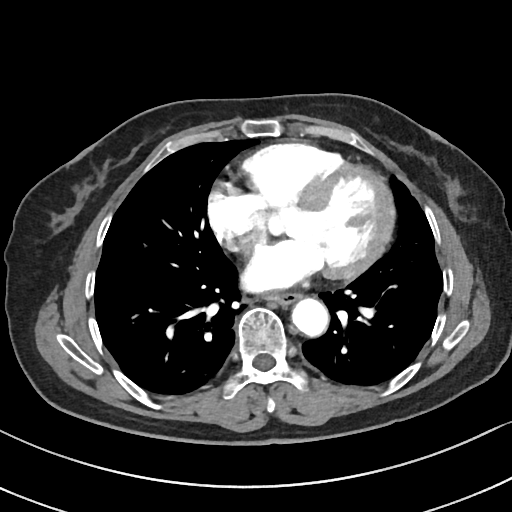 Abdominal CT; this slice is in the lower chest, just above the liver; axial view; soft-tissue window
No part of the heart or lungs is labeled in this dataset, so neither has a box here.
Coordinates as <box>x1,y1,x2,y2</box> in pixels.
aorta: <box>292,298,328,336</box>
esophagus: <box>266,293,300,305</box>